Abdominal CT; axial view; abdomen soft-tissue window; scan has 15 labeled organs (that count is for the whole scan; organs this slice misses have no box)
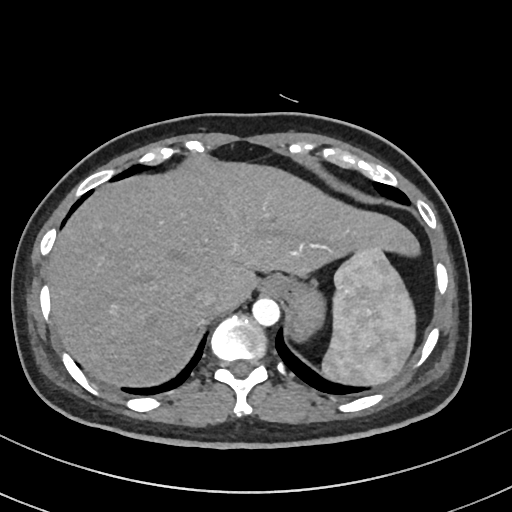

Box edges are left/top/right/bottom in pixels.
spleen: left=322, top=249, right=415, bottom=385
esophagus: left=260, top=276, right=286, bottom=294
liver: left=47, top=156, right=419, bottom=386
stomach: left=279, top=276, right=325, bottom=341
aorta: left=252, top=297, right=280, bottom=325
inferior vena cava: left=193, top=286, right=219, bottom=308